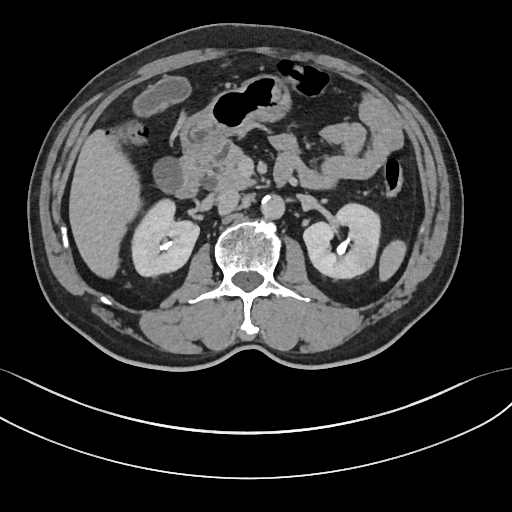
CT abdomen · axial view · soft-tissue window (W 400 / L 40) · scan has 15 labeled organs (a whole-scan count: organs this slice does not pass through have no box)
<organs><organ name="inferior vena cava" x1="216" y1="188" x2="239" y2="214"/><organ name="stomach" x1="180" y1="74" x2="291" y2="157"/><organ name="aorta" x1="261" y1="195" x2="284" y2="218"/><organ name="right kidney" x1="131" y1="198" x2="199" y2="276"/><organ name="left kidney" x1="303" y1="203" x2="380" y2="278"/><organ name="pancreas" x1="205" y1="145" x2="255" y2="189"/><organ name="gall bladder" x1="133" y1="77" x2="190" y2="192"/><organ name="liver" x1="69" y1="130" x2="141" y2="278"/><organ name="duodenum" x1="174" y1="146" x2="295" y2="198"/><organ name="spleen" x1="379" y1="240" x2="406" y2="280"/></organs>